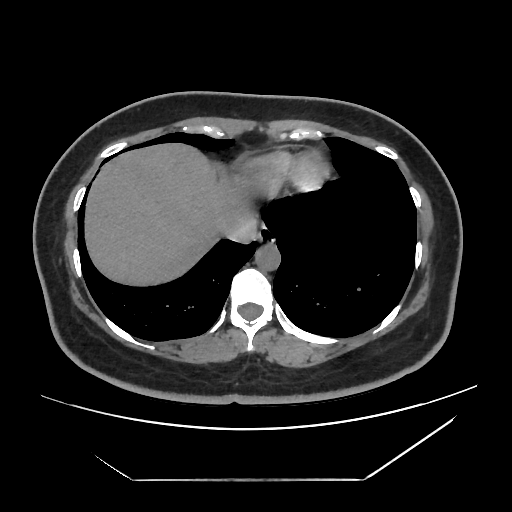

CT abdomen — axial plane, index 295 — 512x512 px
Boxes: x1 y1 x2 y2 (pixel coords, space-separated). The annotated organs in this slice are: esophagus at 257 226 274 242, liver at 84 143 254 286, aorta at 255 243 279 269, inferior vena cava at 222 214 258 243.